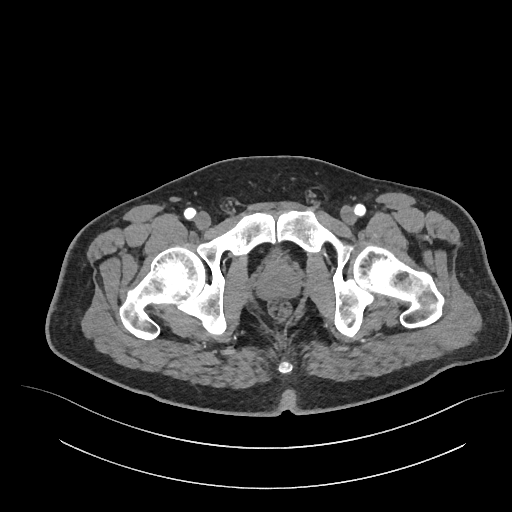

CT, abdomen/pelvis · axial view
Boxes: x1:y1:x2:y2 in pixels.
Organ bounding boxes:
- prostate/uterus: 257:262:299:299